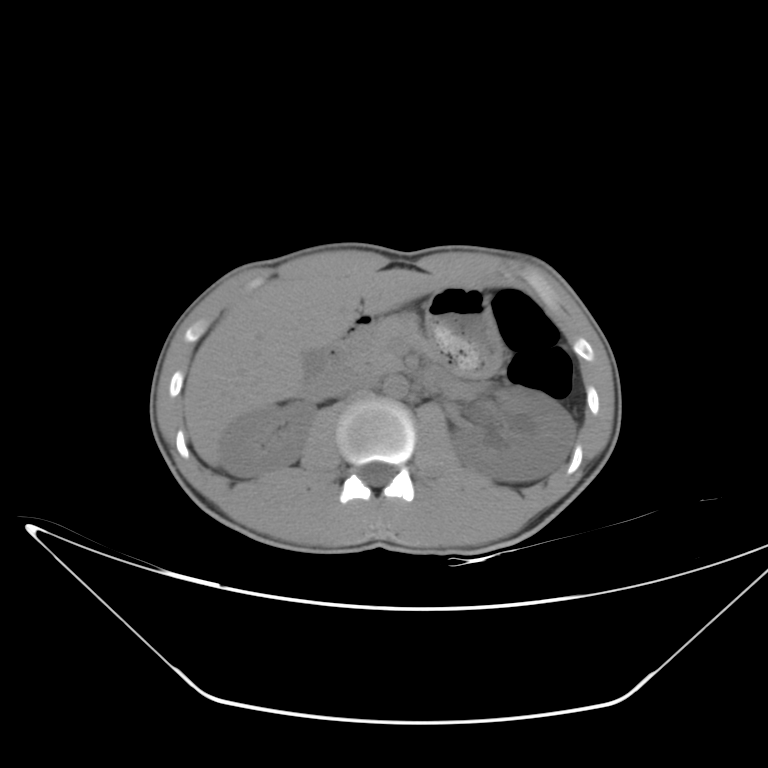
CT, abdomen/pelvis; axial view; soft-tissue window (W 400 / L 40); 768x768 px; 39-year-old male patient; 15 organs annotated in this scan (a whole-scan count: organs this slice does not pass through have no box)
Bounding boxes as [x1, y1, x2, y2] in pixel coordinates.
right kidney: [220, 400, 314, 477]
left kidney: [451, 387, 575, 481]
gall bladder: [303, 349, 326, 371]
liver: [183, 268, 450, 465]
stomach: [424, 284, 502, 376]
aorta: [383, 375, 408, 399]
inferior vena cava: [324, 371, 373, 396]
pancreas: [347, 315, 426, 374]
duodenum: [305, 315, 373, 383]